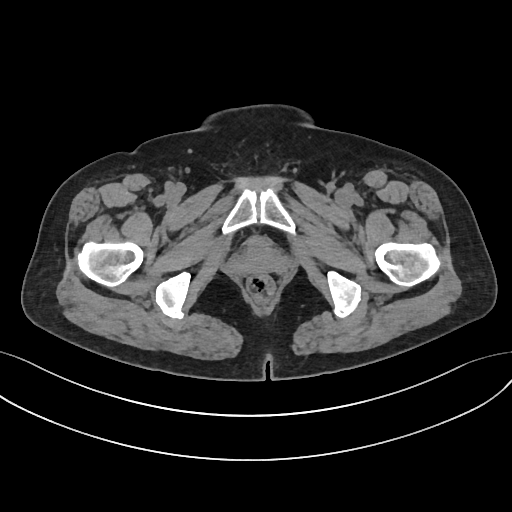

CT, abdomen/pelvis · axial plane, index 8
{"organs":{"bladder":[246,238,269,246]}}